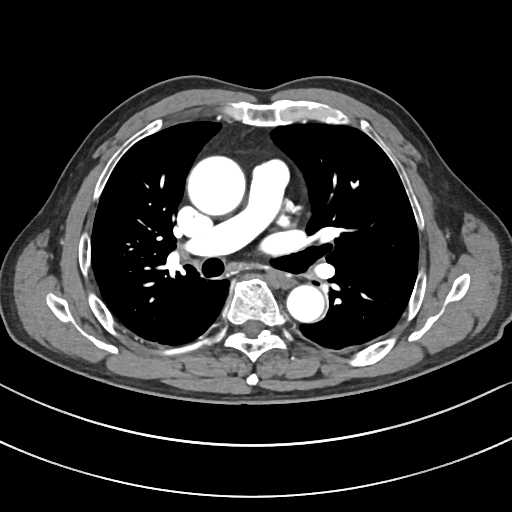

Chest-level slice from an abdominal CT that extends up into the chest; axial plane, index 223; W/L 400/40 HU
At this level of the chest no structure but the esophagus and the aorta has a label in this dataset, and those two are boxed only where they are labeled.
Bounding boxes in pixels, one row per box: x1, y1 is the top-left corner and x2, y2 the bottom-right.
| organ | x1 | y1 | x2 | y2 |
|---|---|---|---|---|
| esophagus | 274 | 274 | 294 | 287 |
| aorta | 187 | 156 | 245 | 215 |
| aorta | 287 | 285 | 324 | 322 |